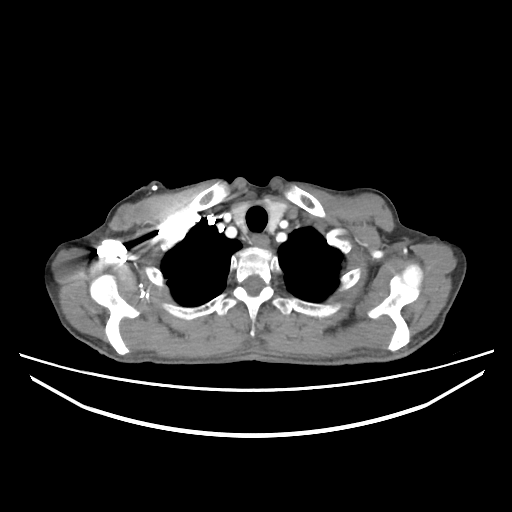

Chest-level CT slice, above the liver and spleen — axial plane, index 112 — 50-year-old male patient
On a slice this high in the chest, this dataset labels only the esophagus and the aorta, and each is boxed only where it is labeled; the heart, lungs and other chest structures are not labeled. Boxes are (x1, y1, x2, y2) in pixels. 1 labeled organ on this slice — esophagus at (251, 235, 269, 246).